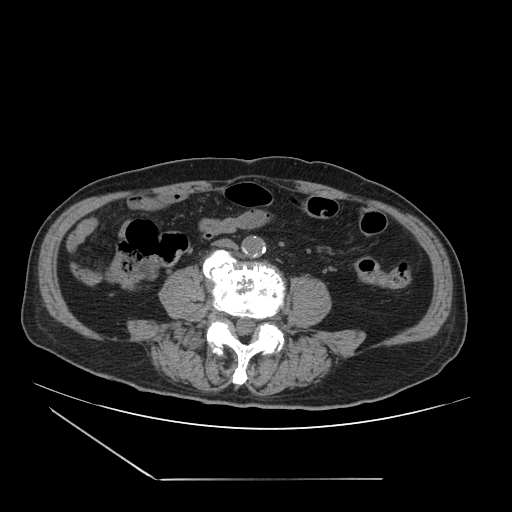
Abdominal CT · axial view · abdomen soft-tissue window
Boxes: x1 y1 x2 y2 (pixel coords, space-separated).
aorta: 241 236 266 257
inferior vena cava: 214 238 237 248